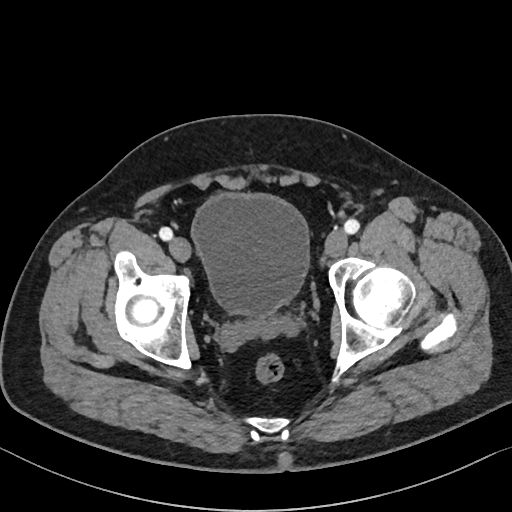

Computed tomography, abdomen — axial view — 15 organs annotated in this scan (counted over the whole 3D scan, not this slice; an organ is boxed only where this slice passes through it)
{"organs":{"bladder":[191,192,309,317]}}